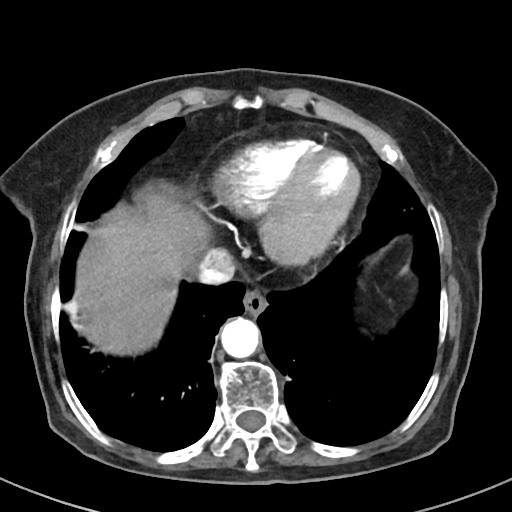

Abdominal CT; axial view; abdomen soft-tissue window; 512x512 px; 15 organs annotated in this scan (a whole-scan count: organs this slice does not pass through have no box)
One row per box, in pixels: columns x1 and y1 give the top-left corner, x2 and y2 the bottom-right.
| organ | x1 | y1 | x2 | y2 |
|---|---|---|---|---|
| liver | 76 | 191 | 208 | 355 |
| inferior vena cava | 196 | 249 | 235 | 284 |
| esophagus | 243 | 289 | 268 | 315 |
| aorta | 220 | 317 | 259 | 358 |